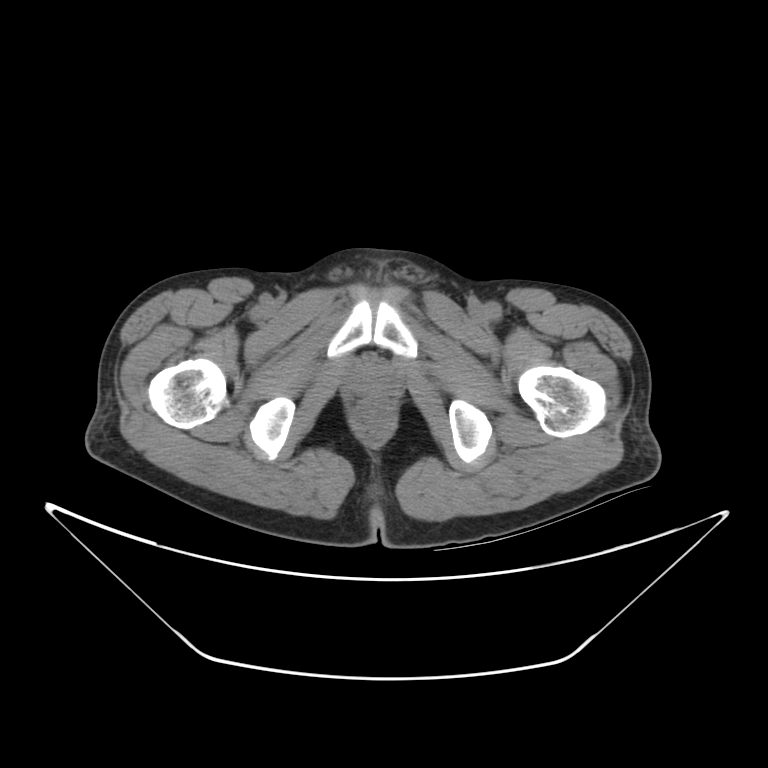
Computed tomography, abdomen · axial view · abdomen soft-tissue window · 768x768 px
One row per box, in pixels: columns x1 and y1 give the top-left corner, x2 and y2 the bottom-right.
| organ | x1 | y1 | x2 | y2 |
|---|---|---|---|---|
| prostate/uterus | 349 | 368 | 389 | 398 |